Chest-level slice from an abdominal CT that extends up into the chest · axial view · soft-tissue window · SOMATOM Force scanner
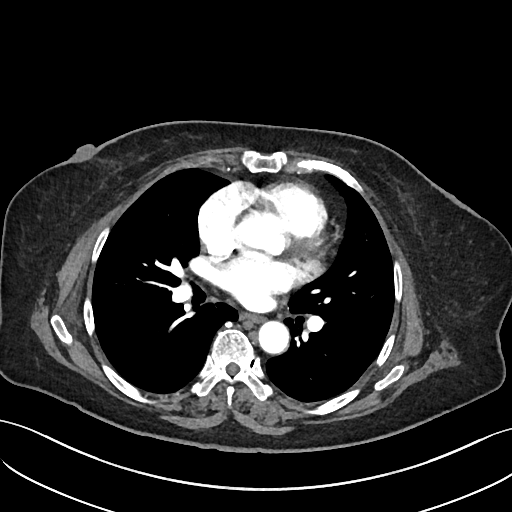

At this level of the chest this dataset labels only the esophagus and the aorta, and each is boxed only where it is labeled; the heart and lungs are never labeled.
<organs><organ name="esophagus" x1="242" y1="314" x2="264" y2="323"/><organ name="aorta" x1="258" y1="322" x2="288" y2="354"/></organs>